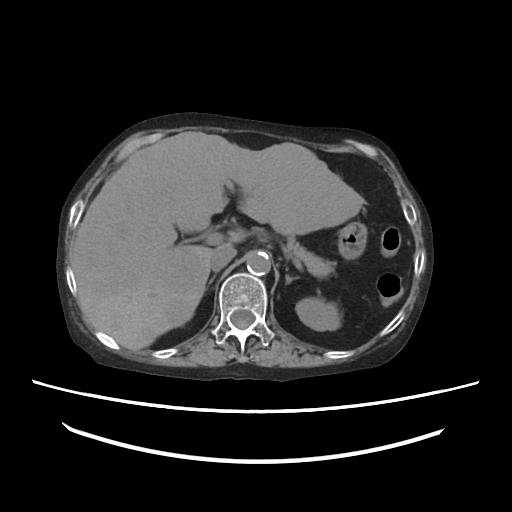
CT, abdomen/pelvis. axial view. soft-tissue window (W 400 / L 40). 512x512 px. 15 organs annotated in this scan (that count is for the whole scan; organs this slice misses have no box)
Box edges are left/top/right/bottom in pixels.
left kidney: left=296, top=298, right=341, bottom=330
aorta: left=246, top=251, right=270, bottom=275
liver: left=70, top=132, right=364, bottom=350
pancreas: left=285, top=234, right=336, bottom=277
stomach: left=338, top=222, right=366, bottom=258
right adrenal gland: left=208, top=275, right=215, bottom=285
left adrenal gland: left=285, top=268, right=298, bottom=283
inferior vena cava: left=210, top=246, right=236, bottom=271